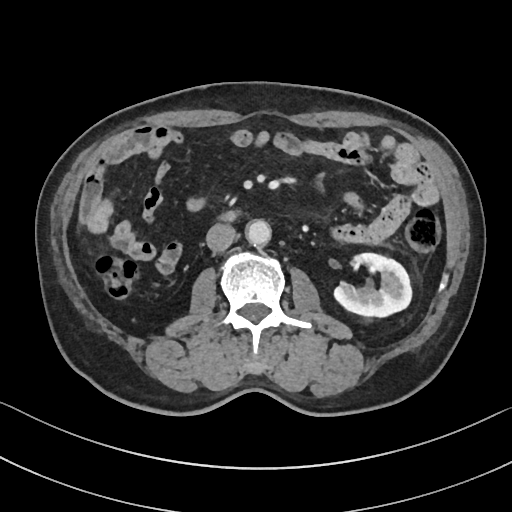
Computed tomography, abdomen — axial plane, index 140 — W/L 400/40 HU
<organs><organ name="left kidney" x1="333" y1="252" x2="412" y2="316"/><organ name="aorta" x1="245" y1="219" x2="270" y2="244"/><organ name="inferior vena cava" x1="206" y1="223" x2="235" y2="250"/><organ name="duodenum" x1="222" y1="211" x2="235" y2="220"/></organs>